Abdominal CT — axial view
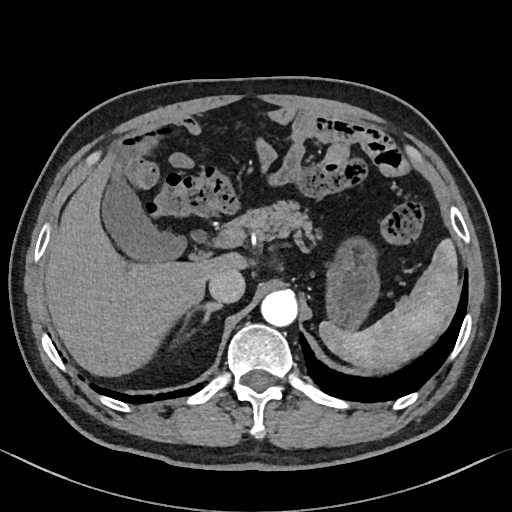 Bounding boxes in pixels, one row per box: x1, y1 is the top-left corner and x2, y2 the bottom-right.
| organ | x1 | y1 | x2 | y2 |
|---|---|---|---|---|
| spleen | 319 | 241 | 458 | 369 |
| gall bladder | 101 | 166 | 183 | 259 |
| liver | 44 | 151 | 248 | 377 |
| stomach | 324 | 240 | 379 | 330 |
| aorta | 260 | 290 | 298 | 327 |
| inferior vena cava | 208 | 269 | 244 | 303 |
| pancreas | 231 | 203 | 311 | 243 |
| right adrenal gland | 198 | 303 | 221 | 329 |